CT, abdomen/pelvis · axial plane, index 66 · abdomen soft-tissue window · 59-year-old male patient
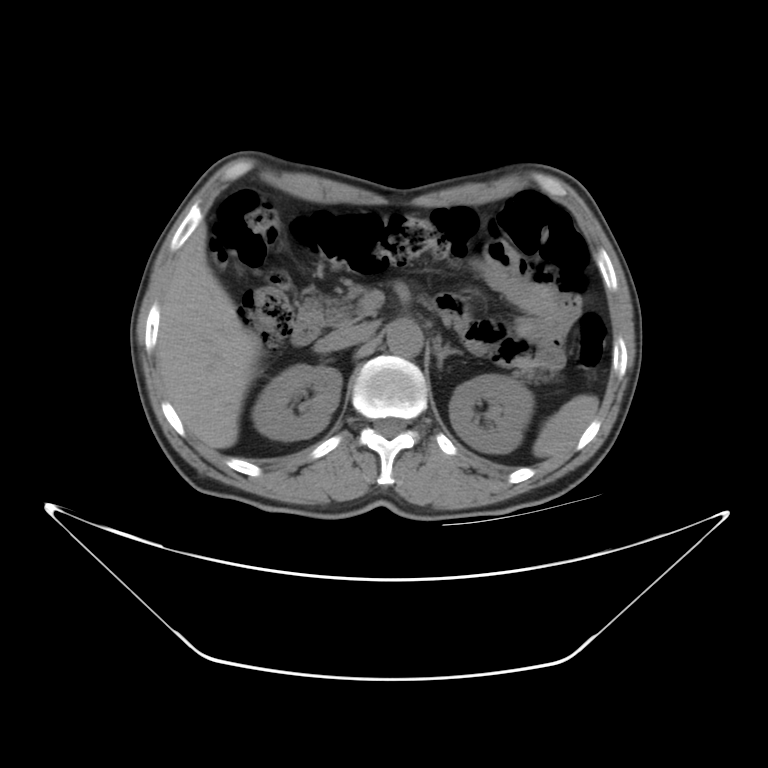 {"organs":{"aorta":[386,318,422,357],"right kidney":[250,363,340,439],"inferior vena cava":[316,319,380,351],"left kidney":[450,375,534,452],"spleen":[533,393,598,458],"duodenum":[291,297,331,348],"left adrenal gland":[431,336,461,372],"pancreas":[304,279,538,381],"liver":[157,222,262,448]}}